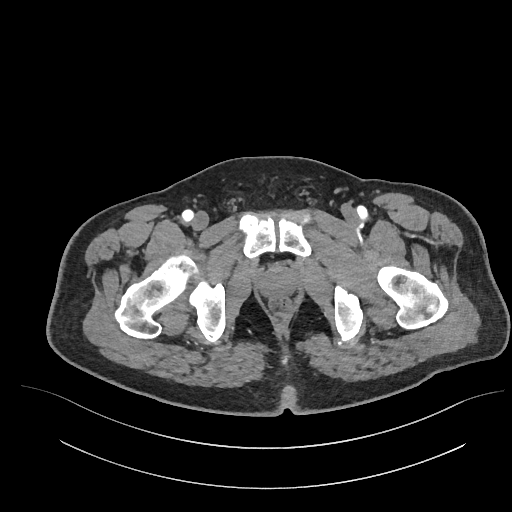 CT abdomen. axial plane, index 24. abdomen soft-tissue window
Box edges are left/top/right/bottom in pixels. 1 labeled organ on this slice — prostate/uterus at left=261, top=267, right=295, bottom=296.